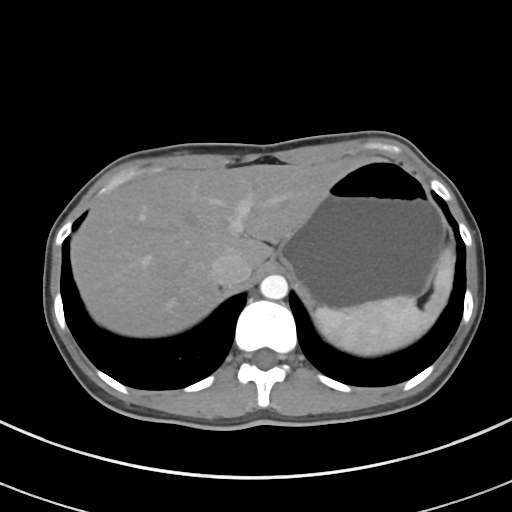

CT, abdomen/pelvis; axial view; 512x512 px
<organs><organ name="spleen" x1="314" y1="247" x2="455" y2="355"/><organ name="liver" x1="70" y1="158" x2="366" y2="337"/><organ name="stomach" x1="278" y1="159" x2="444" y2="308"/><organ name="aorta" x1="260" y1="274" x2="288" y2="299"/><organ name="inferior vena cava" x1="211" y1="253" x2="251" y2="287"/></organs>